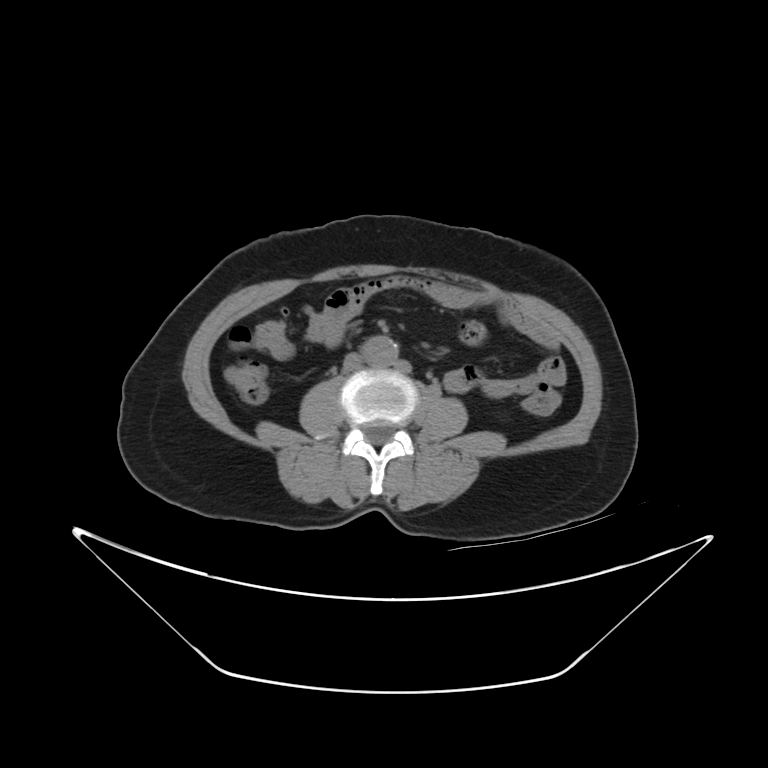

Abdominal CT · Axial slice 47/91 · abdomen soft-tissue window · 768x768 px · scan has 15 labeled organs (counted over the whole 3D scan, not this slice; an organ is boxed only where this slice passes through it)
Bounding boxes as [x1, y1, x2, y2] in pixel coordinates.
Organ bounding boxes:
- aorta: [363, 336, 393, 368]
- inferior vena cava: [343, 355, 360, 372]